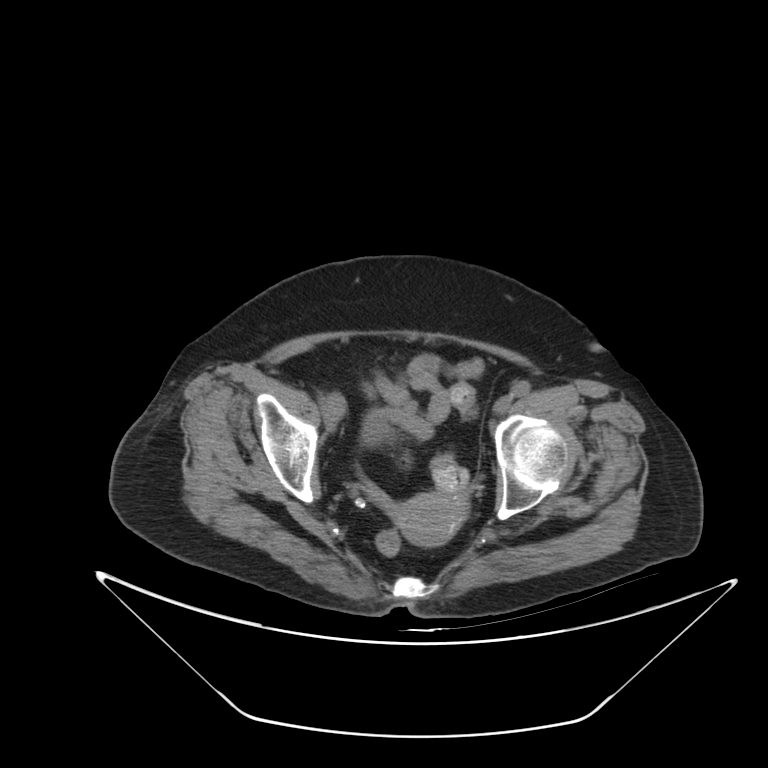 Abdominal CT; axial view; W/L 400/40 HU; 768x768 px; 78-year-old female patient
Boxes: x1 y1 x2 y2 (pixel coords, space-separated).
Organ bounding boxes:
- bladder: 361 412 391 444
- prostate/uterus: 394 491 465 546